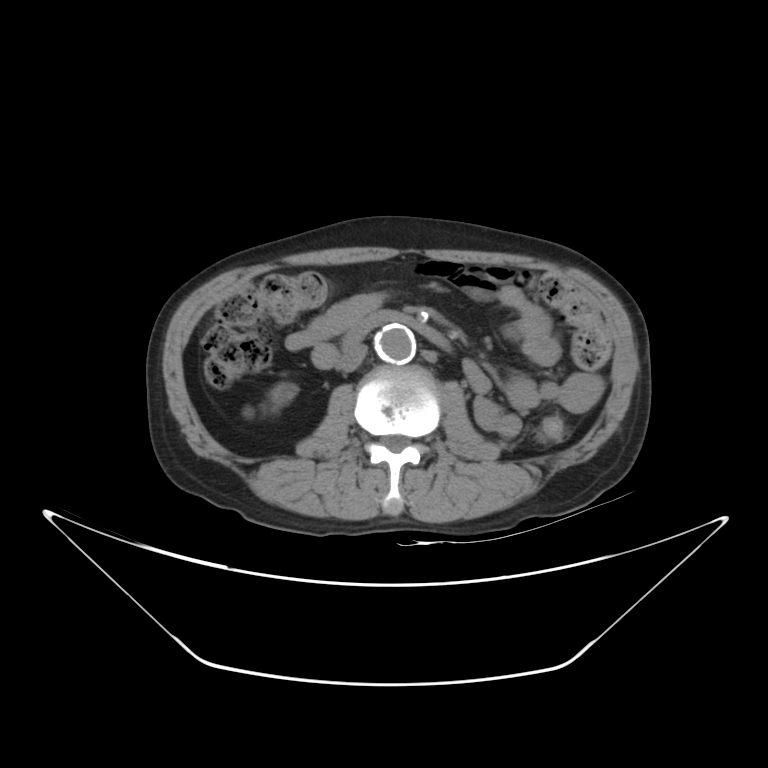 CT abdomen — axial view — abdomen soft-tissue window — 768x768 px — 59-year-old male patient — 14 organs annotated in this scan (counted over the whole 3D scan, not this slice; an organ is boxed only where this slice passes through it)
Box edges are left/top/right/bottom in pixels. The annotated organs in this slice are: right kidney at left=260, top=382, right=297, bottom=415, aorta at left=376, top=325, right=415, bottom=362, inferior vena cava at left=338, top=341, right=367, bottom=371, duodenum at left=343, top=311, right=451, bottom=350.